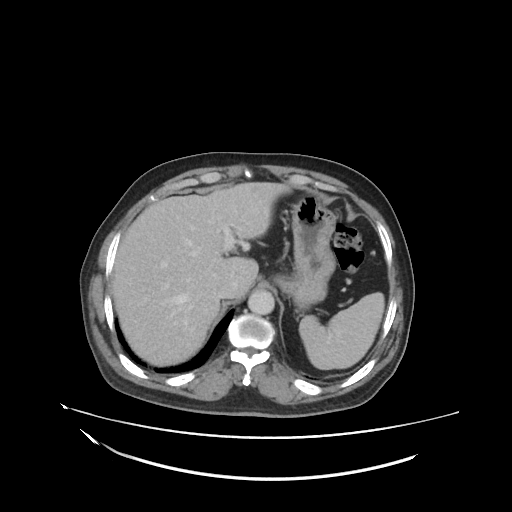

CT, abdomen/pelvis. axial view. soft-tissue window (W 400 / L 40). 66-year-old male patient
{"organs":{"spleen":[299,292,384,370],"liver":[112,182,292,364],"stomach":[274,195,335,313],"aorta":[247,289,275,315],"inferior vena cava":[217,280,242,299]}}